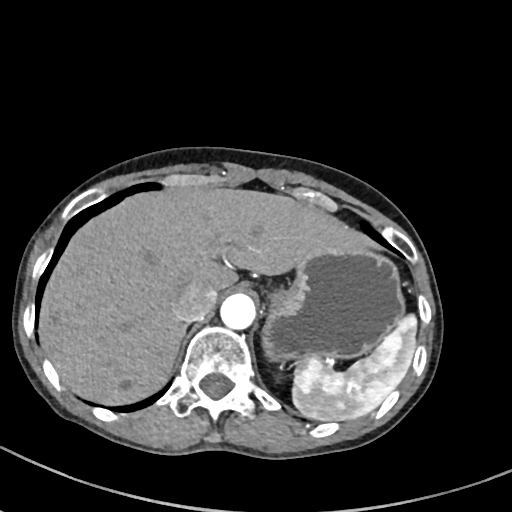 CT abdomen · Axial slice 182/207 · scan has 15 labeled organs (that count is for the whole scan; organs this slice misses have no box)
One row per box, in pixels: columns x1 and y1 give the top-left corner, x2 and y2 the bottom-right.
| organ | x1 | y1 | x2 | y2 |
|---|---|---|---|---|
| spleen | 291 | 313 | 417 | 420 |
| liver | 39 | 187 | 386 | 406 |
| stomach | 262 | 248 | 403 | 362 |
| aorta | 220 | 293 | 256 | 328 |
| inferior vena cava | 175 | 284 | 216 | 322 |
| right adrenal gland | 182 | 323 | 187 | 338 |